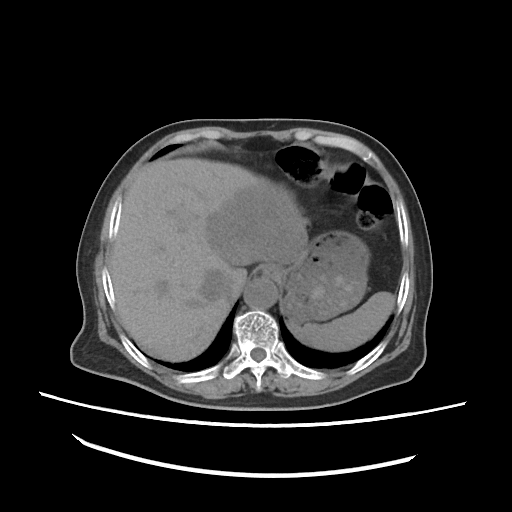 CT abdomen · axial view
Coordinates as <box>x1,y1,x2,y2</box> in pixels.
Organ bounding boxes:
- liver: <box>111,158,309,360</box>
- inferior vena cava: <box>200,270,231,301</box>
- aorta: <box>243,277,277,309</box>
- stomach: <box>257,230,369,323</box>
- spleen: <box>289,292,392,352</box>